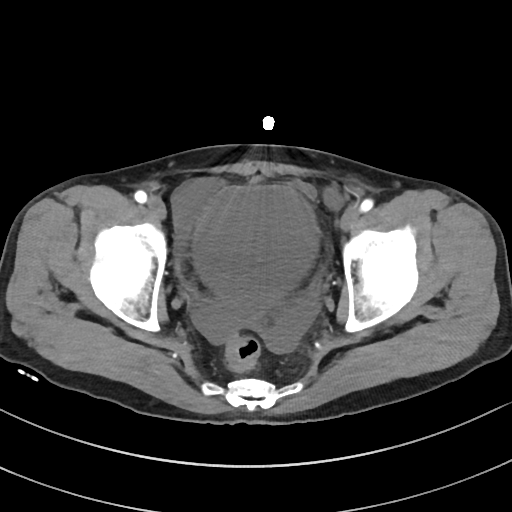
Abdominal CT; axial view; soft-tissue window (W 400 / L 40)
{"organs":{"bladder":[193,185,318,308]}}